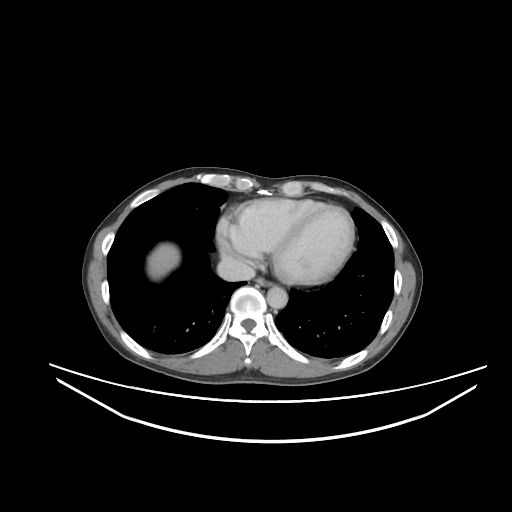
CT, abdomen/pelvis; axial view; W/L 400/40 HU; 512x512 px
{"organs":{"esophagus":[256,278,272,286],"liver":[148,244,179,278],"aorta":[266,286,287,308],"inferior vena cava":[217,256,255,281]}}